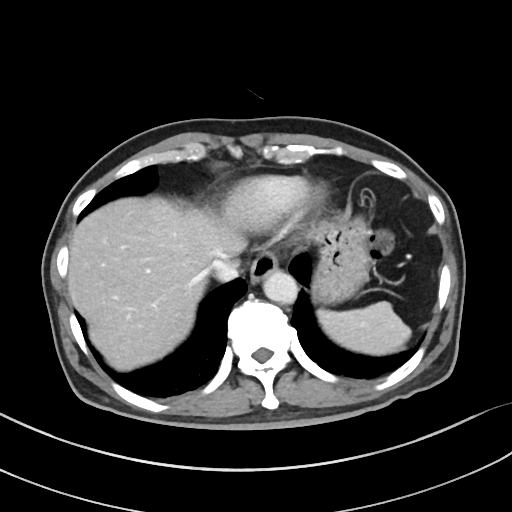

Abdominal CT; axial view; W/L 400/40 HU
One row per box, in pixels: columns x1 and y1 give the top-left corner, x2 and y2 the bottom-right.
| organ | x1 | y1 | x2 | y2 |
|---|---|---|---|---|
| spleen | 317 | 301 | 411 | 355 |
| esophagus | 250 | 251 | 278 | 283 |
| liver | 68 | 196 | 246 | 370 |
| stomach | 312 | 217 | 368 | 302 |
| aorta | 263 | 270 | 297 | 303 |
| inferior vena cava | 210 | 255 | 237 | 281 |